Abdominal CT reaching into the chest; this slice is in the chest — axial view — soft-tissue window — 47-year-old male patient — 15 organs annotated in this scan (counted over the whole 3D scan, not this slice; an organ is boxed only where this slice passes through it)
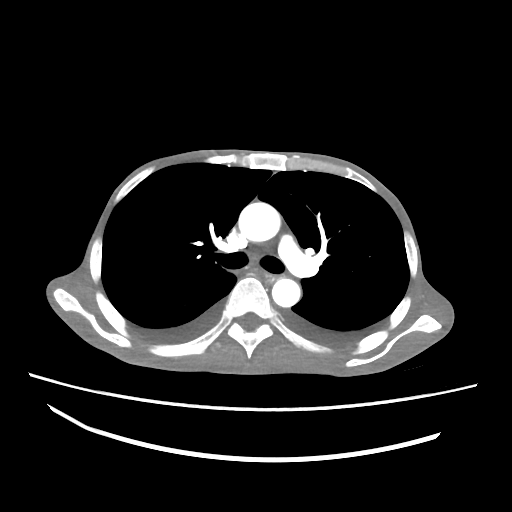 At this level of the chest no structure but the esophagus and the aorta has a label in this dataset, and those two are boxed only where they are labeled. Boxes are (x1, y1, x2, y2) in pixels. 2 labeled organs on this slice — esophagus at (256, 269, 276, 284); aorta at (238, 202, 280, 241); aorta at (272, 278, 300, 307).